Chest-level CT slice, above the liver and spleen · axial view · soft-tissue window, W/L 400/40 · acquired on Aquilion ONE
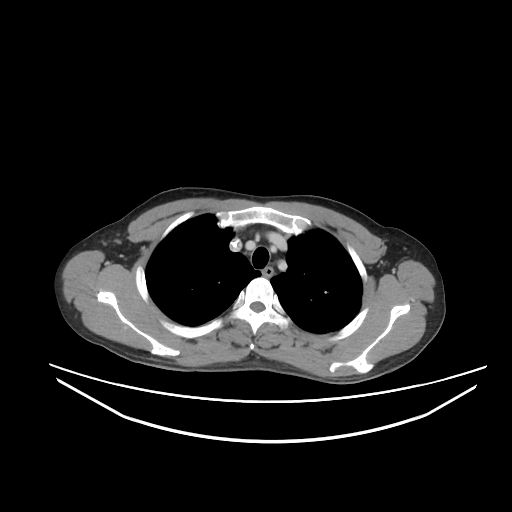
At this level of the chest no structure but the esophagus and the aorta has a label in this dataset, and those two are boxed only where they are labeled.
<organs><organ name="esophagus" x1="262" y1="266" x2="273" y2="276"/></organs>